CT, abdomen/pelvis · axial view · soft-tissue window
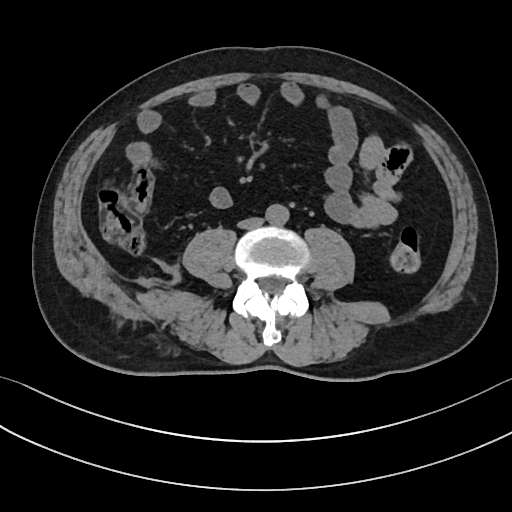 Boxes are (x1, y1, x2, y2) in pixels.
Organ bounding boxes:
- inferior vena cava: (238, 217, 263, 228)
- aorta: (265, 204, 289, 225)